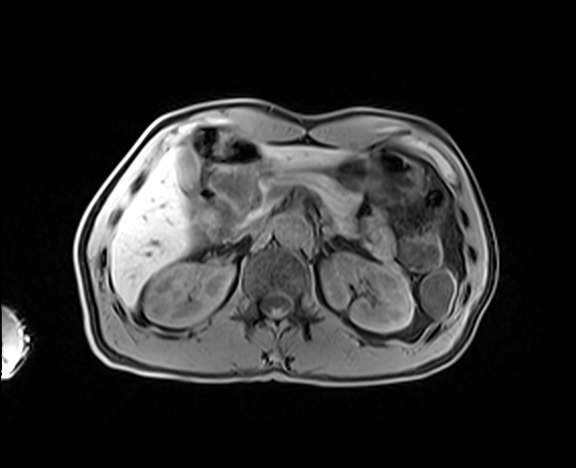

Abdominal MRI; axial view; 1st–99th percentile window; Prisma scanner
Organ boxes in pixel coordinates; each row gives the top-left (x1, y1) and bottom-right (x2, y2) corners.
| organ | x1 | y1 | x2 | y2 |
|---|---|---|---|---|
| gall bladder | 178 | 151 | 202 | 203 |
| right kidney | 144 | 262 | 233 | 325 |
| left kidney | 322 | 253 | 414 | 332 |
| aorta | 275 | 214 | 309 | 244 |
| inferior vena cava | 237 | 218 | 263 | 237 |
| pancreas | 259 | 171 | 360 | 233 |
| stomach | 276 | 151 | 420 | 202 |
| liver | 109 | 146 | 349 | 308 |